Abdominal CT — Axial slice 163/345 — soft-tissue window — 512x512 px
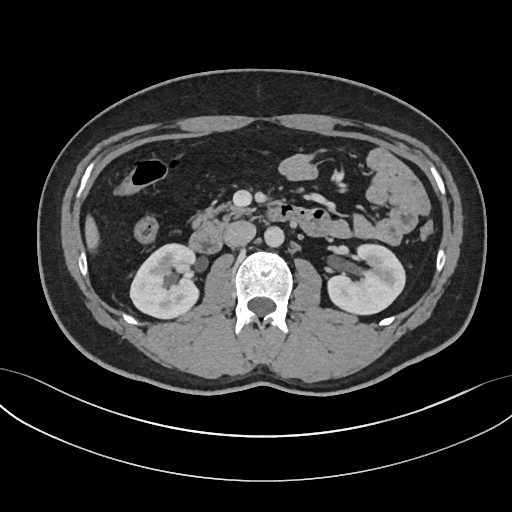 Boxes: x1:y1:x2:y2 in pixels.
Organ bounding boxes:
- right kidney: 130:244:199:319
- left kidney: 326:243:404:315
- liver: 86:217:99:249
- aorta: 264:227:284:248
- inferior vena cava: 223:221:255:247
- pancreas: 191:203:253:227
- duodenum: 188:205:329:253